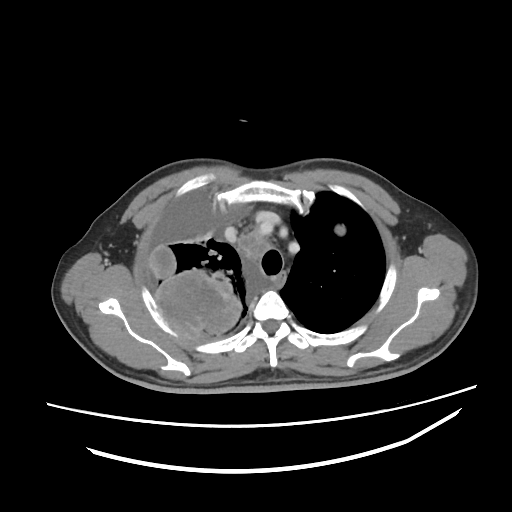 Chest-level CT slice, above the liver and spleen — axial view — soft-tissue window
At this level of the chest no structure but the esophagus and the aorta has a label in this dataset, and those two are boxed only where they are labeled.
{"organs":{"esophagus":[275,271,286,290]}}